Computed tomography, abdomen — axial plane, index 215 — soft-tissue window — 512x512 px
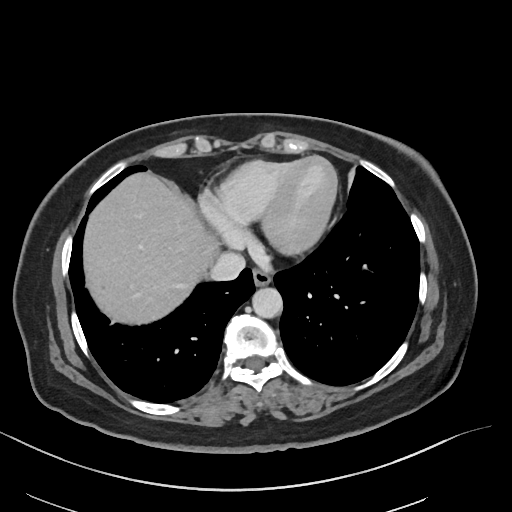
<organs><organ name="inferior vena cava" x1="209" y1="252" x2="245" y2="281"/><organ name="esophagus" x1="252" y1="269" x2="271" y2="286"/><organ name="aorta" x1="252" y1="288" x2="282" y2="318"/><organ name="liver" x1="83" y1="173" x2="218" y2="324"/></organs>